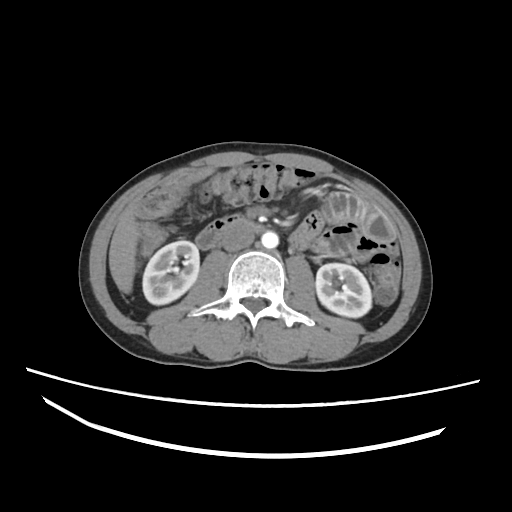 Computed tomography, abdomen — axial view — 512x512 px — scan has 15 labeled organs (counted over the whole 3D scan, not this slice; an organ is boxed only where this slice passes through it)
Boxes are (x1, y1, x2, y2) in pixels.
inferior vena cava: (221, 226, 254, 251)
duodenum: (195, 214, 263, 249)
right kidney: (142, 240, 199, 305)
liver: (109, 206, 138, 293)
left kidney: (315, 263, 371, 317)
aorta: (261, 231, 278, 248)